Magnetic resonance imaging, abdomen — axial plane, index 48 — 1st–99th percentile window — 13 organs annotated in this scan (counted over the whole 3D scan, not this slice; an organ is boxed only where this slice passes through it)
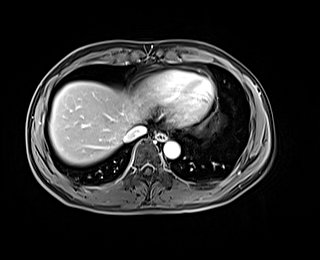
<organs><organ name="aorta" x1="163" y1="141" x2="179" y2="158"/><organ name="inferior vena cava" x1="124" y1="125" x2="146" y2="142"/><organ name="esophagus" x1="155" y1="133" x2="166" y2="140"/><organ name="liver" x1="49" y1="81" x2="147" y2="164"/></organs>